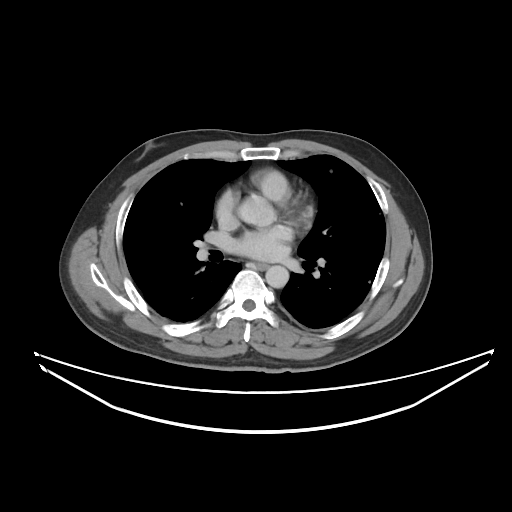

Chest-level slice from an abdominal CT that extends up into the chest — Axial slice 102/131
At this level of the chest this dataset labels only the esophagus and the aorta, and each is boxed only where it is labeled; the heart and lungs are never labeled. Each box given as x1,y1,x2,y2. 2 labeled organs on this slice — aorta at x1=265, y1=265, x2=288, y2=288; esophagus at x1=255, y1=263, x2=267, y2=270.